CT, abdomen/pelvis — axial view — W/L 400/40 HU — 512x512 px — 67-year-old male patient — 15 organs annotated in this scan (a whole-scan count: organs this slice does not pass through have no box)
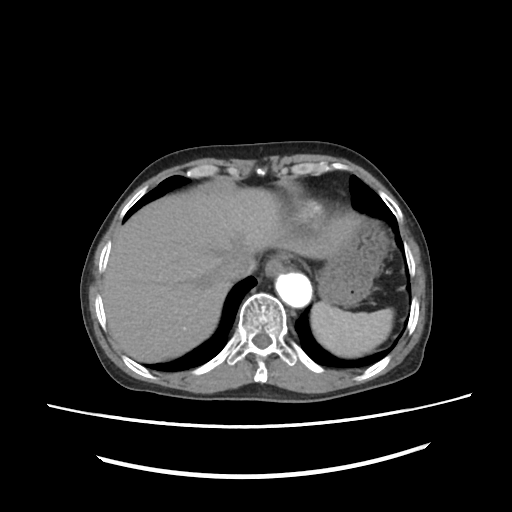
<organs><organ name="spleen" x1="310" y1="301" x2="394" y2="356"/><organ name="esophagus" x1="264" y1="255" x2="284" y2="277"/><organ name="liver" x1="103" y1="186" x2="369" y2="362"/><organ name="stomach" x1="316" y1="222" x2="389" y2="306"/><organ name="aorta" x1="276" y1="273" x2="311" y2="306"/><organ name="inferior vena cava" x1="218" y1="254" x2="256" y2="279"/></organs>